Abdominal CT — axial view — soft-tissue window (W 400 / L 40)
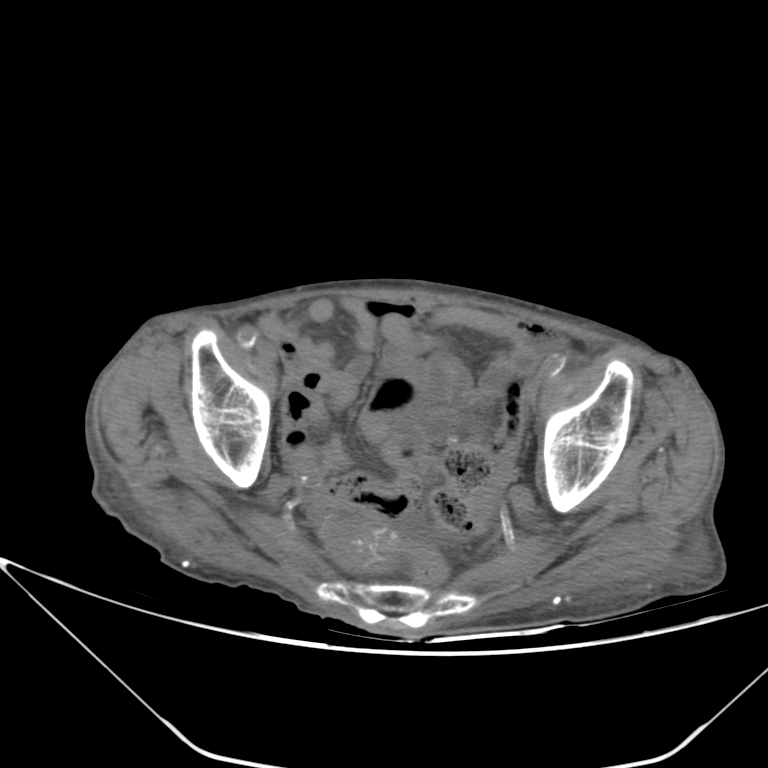

{"organs":{"prostate/uterus":[342,525,395,569]}}